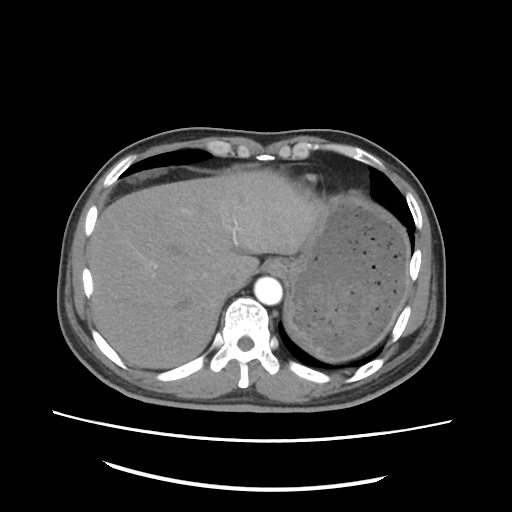 CT, abdomen/pelvis. Axial slice 87/98. 54-year-old male patient
Box edges are left/top/right/bottom in pixels. 5 labeled organs on this slice — esophagus at left=262, top=258, right=287, bottom=274; liver at left=86, top=170, right=314, bottom=367; stomach at left=282, top=192, right=412, bottom=362; aorta at left=254, top=276, right=281, bottom=304; inferior vena cava at left=219, top=273, right=239, bottom=287.